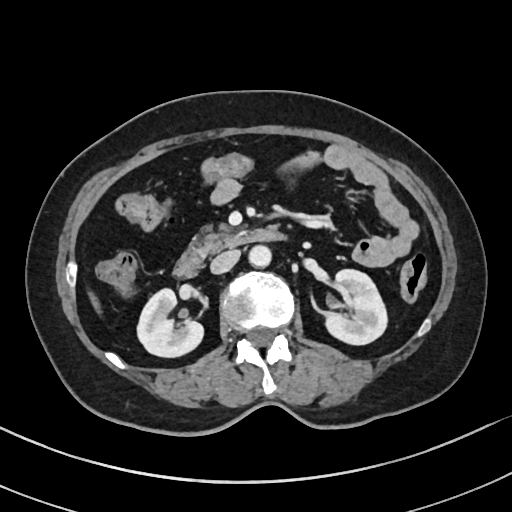
CT, abdomen/pelvis. Axial slice 150/314. soft-tissue window (W 400 / L 40)
Organ boxes in pixel coordinates; each row gives the top-left (x1, y1) and bottom-right (x2, y2) corners.
| organ | x1 | y1 | x2 | y2 |
|---|---|---|---|---|
| duodenum | 175 | 229 | 278 | 276 |
| aorta | 249 | 244 | 271 | 266 |
| inferior vena cava | 211 | 249 | 240 | 273 |
| right kidney | 136 | 287 | 202 | 356 |
| pancreas | 192 | 227 | 239 | 254 |
| left kidney | 325 | 269 | 387 | 344 |